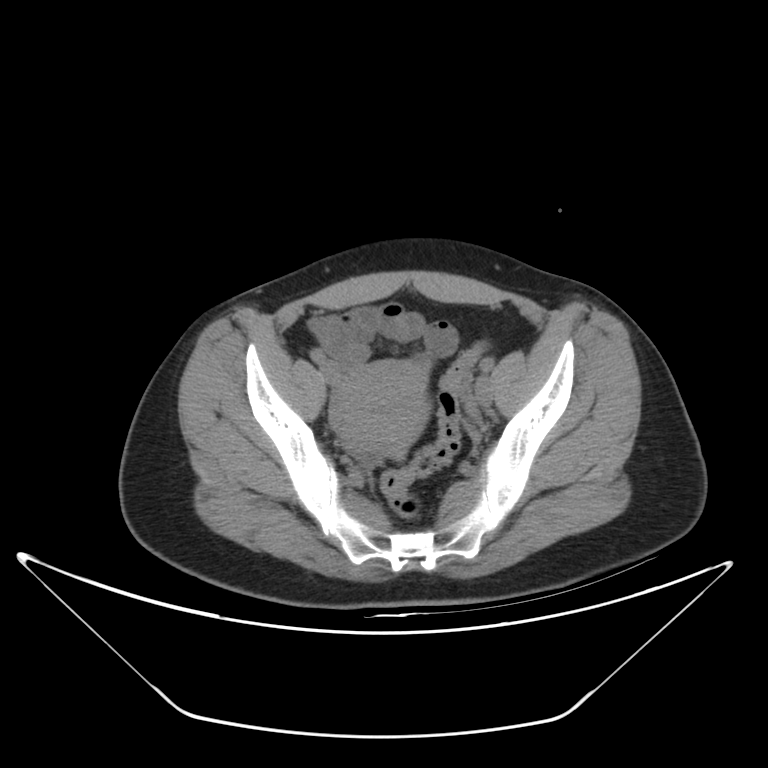
Computed tomography, abdomen — Axial slice 29/105 — soft-tissue window — acquired on Brilliance16
Organ boxes in pixel coordinates; each row gives the top-left (x1, y1) and bottom-right (x2, y2) corners.
| organ | x1 | y1 | x2 | y2 |
|---|---|---|---|---|
| prostate/uterus | 328 | 361 | 429 | 453 |